CT of the abdomen reaching into the lower chest, slice just above the liver and spleen. Axial slice 85/90. 59-year-old male patient
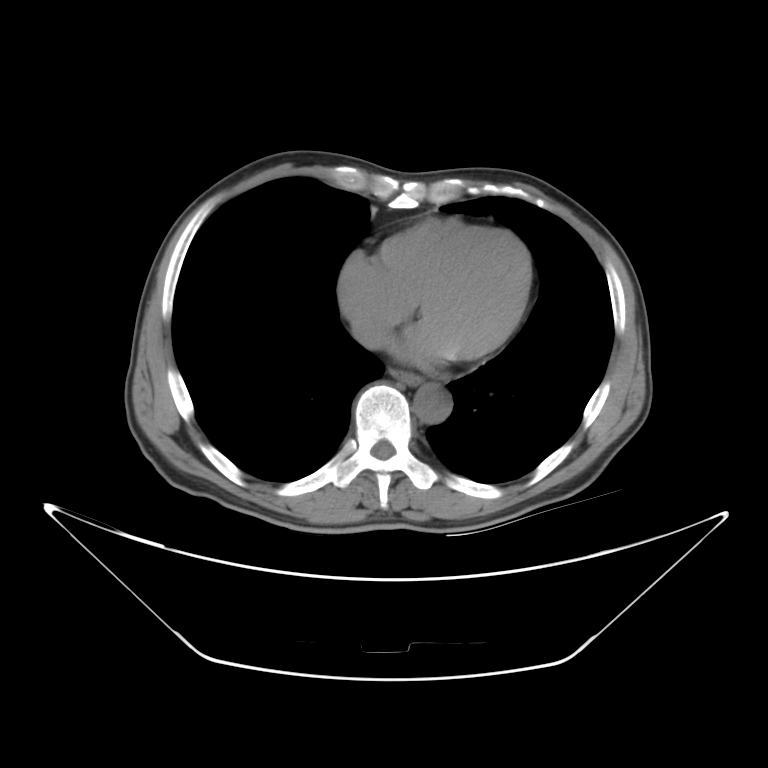

The heart and lungs are never labeled in this dataset, so they have no box on this slice.
Box edges are left/top/right/bottom in pixels.
inferior vena cava: left=351, top=318, right=390, bottom=351
aorta: left=411, top=383, right=450, bottom=422
esophagus: left=396, top=370, right=424, bottom=384